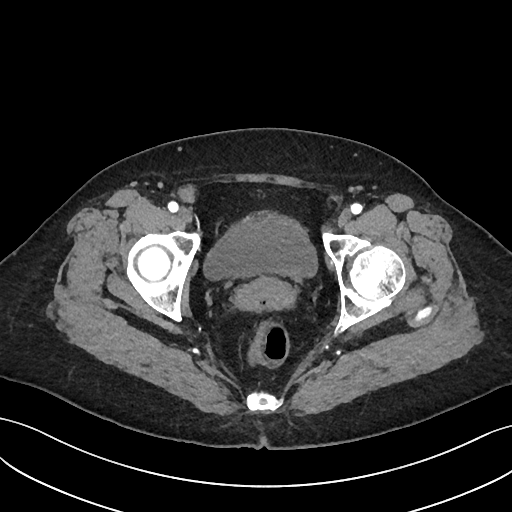 Abdominal CT; axial view; abdomen soft-tissue window; 512x512 px
Each box given as x1,y1,x2,y2.
bladder: x1=203, y1=212, x2=317, y2=280
prostate/uterus: x1=236, y1=277, x2=293, y2=310